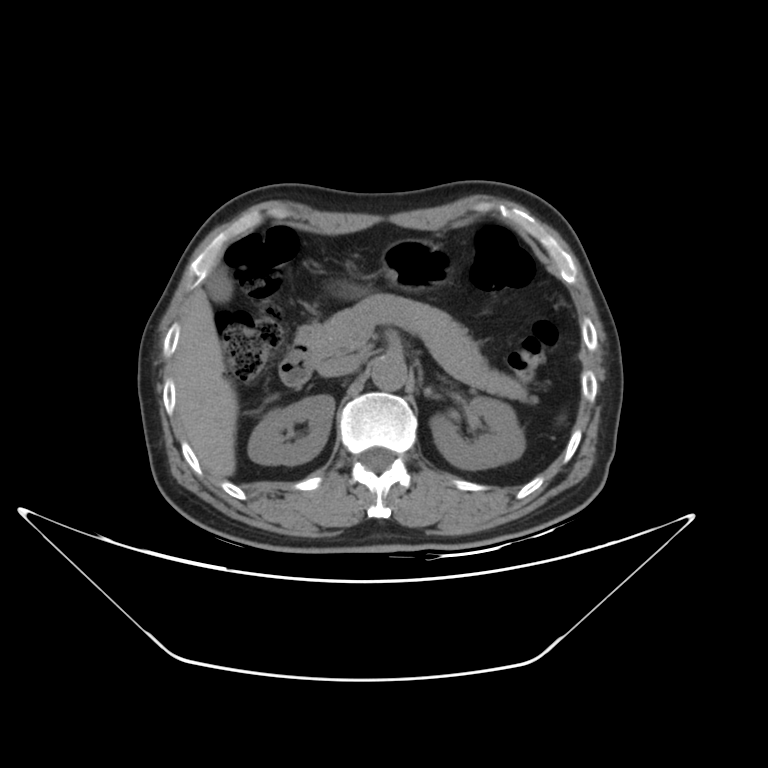

CT, abdomen/pelvis. axial view. W/L 400/40 HU. 71-year-old male patient
Boxes: x1:y1:x2:y2 in pixels. 9 labeled organs on this slice — right kidney at 248:394:334:463; left kidney at 429:397:526:470; gall bladder at 210:269:233:304; liver at 175:291:237:480; stomach at 384:238:459:293; aorta at 372:353:406:391; inferior vena cava at 319:352:364:376; pancreas at 300:292:540:406; duodenum at 281:339:312:387.